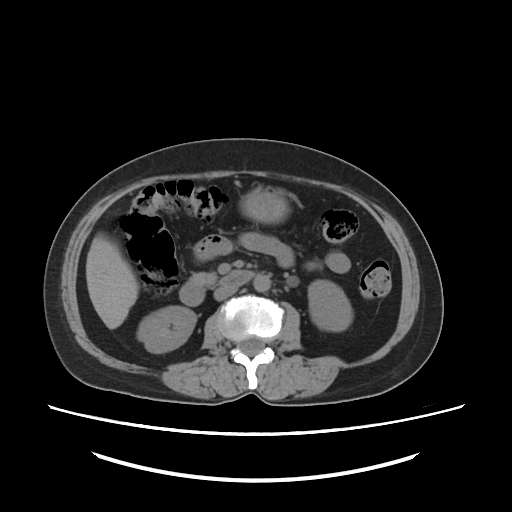

CT, abdomen/pelvis; axial view; soft-tissue window (W 400 / L 40); 512x512 px; Aquilion ONE scanner
Boxes: x1:y1:x2:y2 in pixels.
aorta: 254:275:268:289
inferior vena cava: 213:285:235:300
pancreas: 190:273:218:285
liver: 87:233:137:330
duodenum: 180:270:253:305
left kidney: 307:281:351:329
right kidney: 136:306:198:353
stomach: 240:183:290:221